CT, abdomen/pelvis; axial view; 512x512 px; acquired on SOMATOM Force
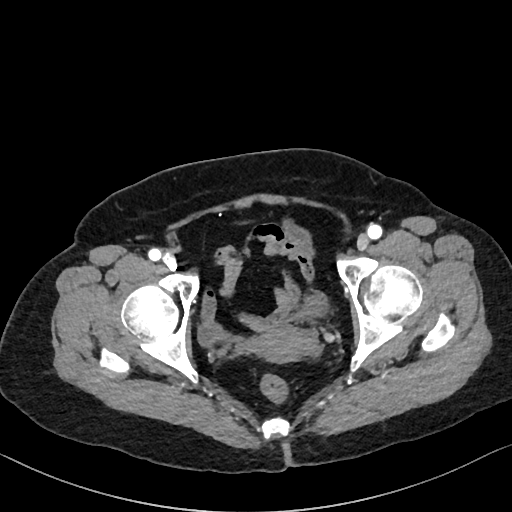

Box edges are left/top/right/bottom in pixels.
Organ bounding boxes:
- bladder: left=198, top=296, right=326, bottom=344
- prostate/uterus: left=254, top=324, right=313, bottom=362